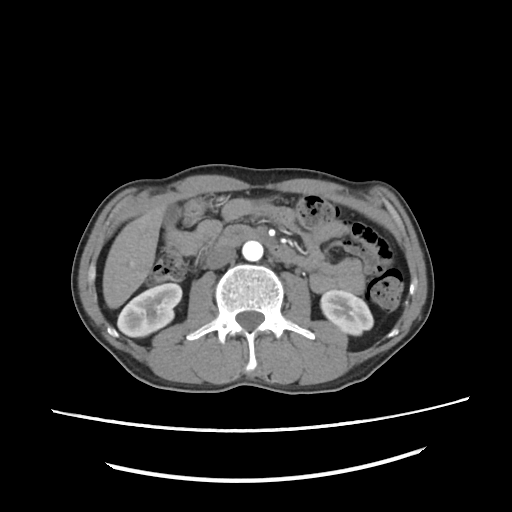

Computed tomography, abdomen. axial view. soft-tissue window. 512x512 px. 15 organs annotated in this scan (counted over the whole 3D scan, not this slice; an organ is boxed only where this slice passes through it)
Bounding boxes as [x1, y1, x2, y2] in pixel coordinates. 7 labeled organs on this slice — right kidney at [118, 282, 181, 337]; left kidney at [320, 290, 373, 333]; gall bladder at [162, 206, 180, 229]; liver at [101, 204, 167, 308]; aorta at [241, 241, 263, 260]; inferior vena cava at [205, 244, 236, 268]; duodenum at [219, 224, 288, 263].